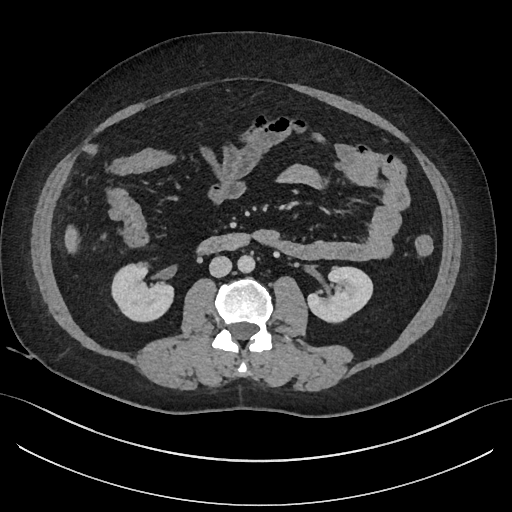

CT abdomen. axial view. soft-tissue window. 512x512 px. 15 organs annotated in this scan (that count is for the whole scan; organs this slice misses have no box)
One row per box, in pixels: columns x1 and y1 give the top-left corner, x2 and y2 the bottom-right.
| organ | x1 | y1 | x2 | y2 |
|---|---|---|---|---|
| right kidney | 110 | 262 | 174 | 322 |
| left kidney | 307 | 267 | 373 | 324 |
| liver | 63 | 227 | 78 | 251 |
| aorta | 237 | 255 | 254 | 273 |
| inferior vena cava | 209 | 256 | 231 | 277 |
| duodenum | 197 | 234 | 251 | 255 |